Chest-level CT slice, above the liver and spleen. Axial slice 236/306. soft-tissue window (W 400 / L 40). 512x512 px. scan has 15 labeled organs (that count is for the whole scan; organs this slice misses have no box)
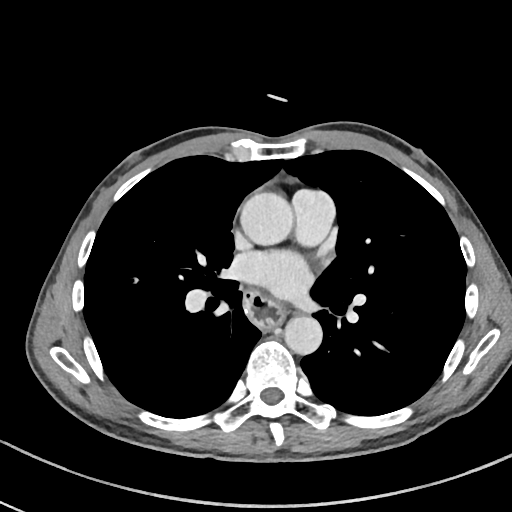
At this level of the chest no structure but the esophagus and the aorta has a label in this dataset, and those two are boxed only where they are labeled.
Coordinates as <box>x1,y1,x2,y2</box> in pixels.
Organ bounding boxes:
- esophagus: <box>243,292,284,332</box>
- aorta: <box>241,192,294,244</box>
- aorta: <box>284,316,322,354</box>